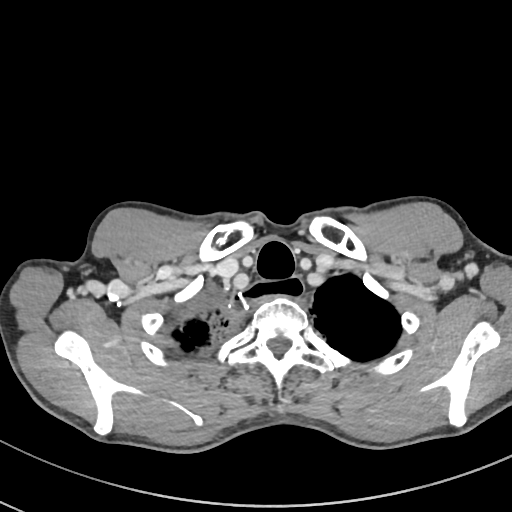 CT of the abdomen extending into the chest, slice through the chest — axial view — soft-tissue window, W/L 400/40
At this level of the chest no structure but the esophagus and the aorta has a label in this dataset, and those two are boxed only where they are labeled.
Boxes are (x1, y1, x2, y2) in pixels.
Organ bounding boxes:
- esophagus: (233, 278, 304, 311)